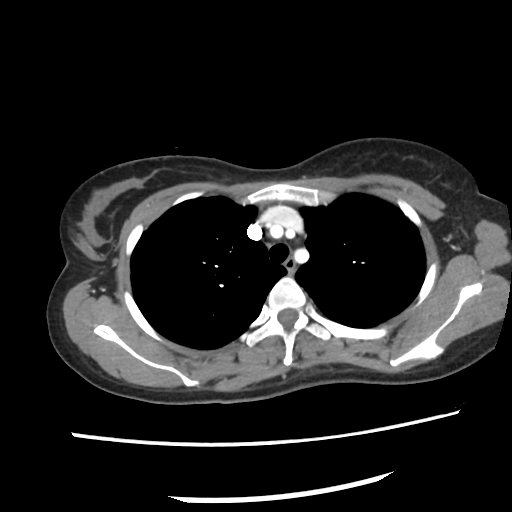 Chest-level slice from an abdominal CT that extends up into the chest — axial view — 34-year-old female patient
On a slice this high in the chest, this dataset labels only the esophagus and the aorta, and each is boxed only where it is labeled; the heart, lungs and other chest structures are not labeled. Bounding boxes as [x1, y1, x2, y2] in pixel coordinates. Labeled organs on this slice: esophagus at [284, 256, 296, 272].